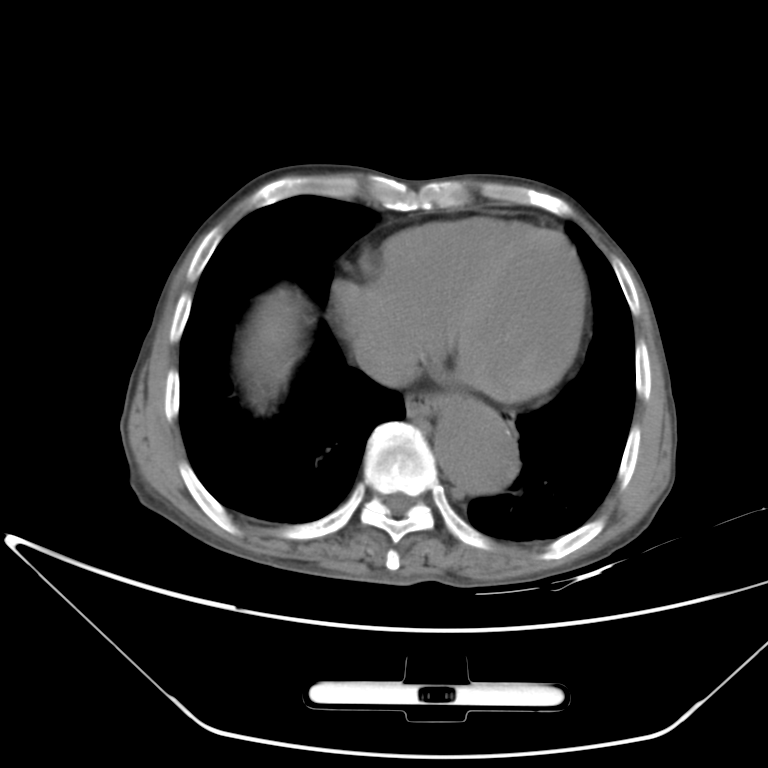
Abdominal CT. Axial slice 79/82
Coordinates as <box>x1,y1,x2,y2</box> in pixels. Labeled organs on this slice: esophagus at <box>406,393,449,420</box>, liver at <box>250,294,299,389</box>, aorta at <box>435,396,517,493</box>, inferior vena cava at <box>352,330,416,387</box>.